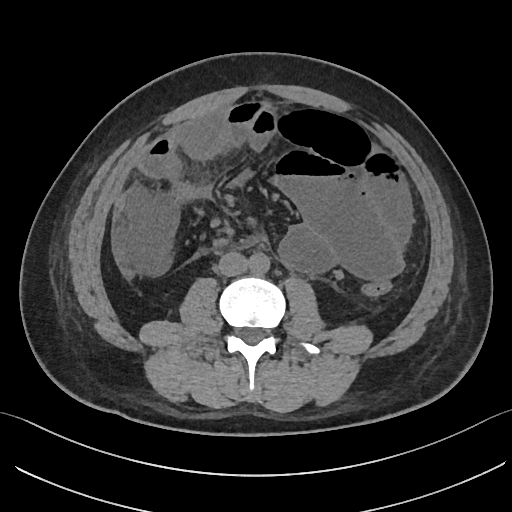 CT, abdomen/pelvis; axial view
Boxes: x1 y1 x2 y2 (pixel coords, space-separated).
aorta: 248 252 269 274
inferior vena cava: 217 252 247 276